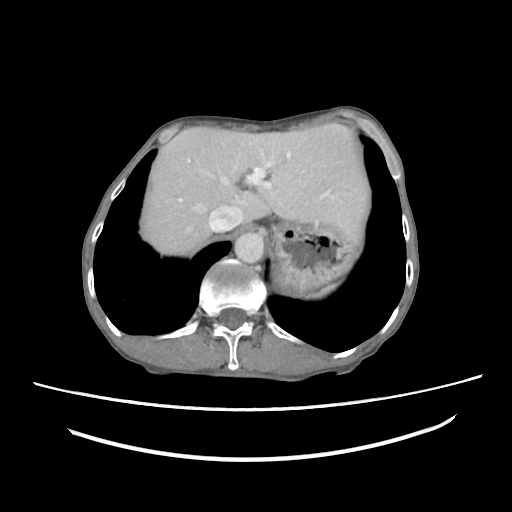

CT, abdomen/pelvis; Axial slice 67/79; 512x512 px; Aquilion ONE scanner
Bounding boxes as [x1, y1, x2, y2] in pixel coordinates. The annotated organs in this slice are: spleen at [310, 283, 337, 297], liver at [141, 123, 369, 255], stomach at [273, 222, 355, 292], aorta at [234, 230, 264, 263], inferior vena cava at [208, 205, 243, 232].